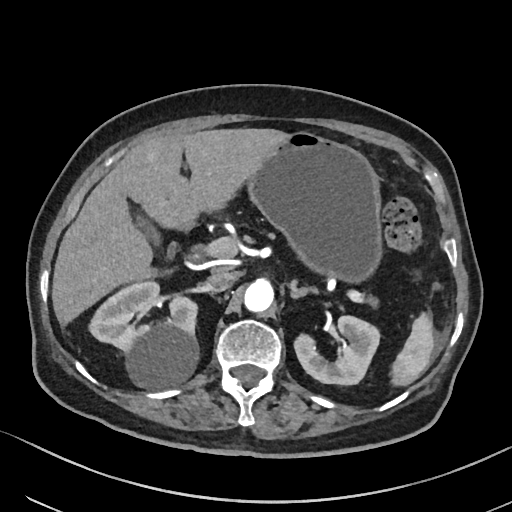
CT abdomen — axial plane, index 168 — abdomen soft-tissue window — 512x512 px
Each box given as x1,y1,x2,y2.
Organ bounding boxes:
- spleen: x1=391, y1=312, x2=434, y2=386
- right kidney: x1=89, y1=280, x2=198, y2=388
- left kidney: x1=294, y1=316, x2=379, y2=385
- gall bladder: x1=134, y1=214, x2=160, y2=245
- liver: x1=51, y1=128, x2=287, y2=325
- stomach: x1=246, y1=131, x2=381, y2=282
- aorta: x1=244, y1=279, x2=273, y2=311
- inferior vena cava: x1=205, y1=271, x2=236, y2=292
- pancreas: x1=368, y1=296, x2=380, y2=306
- left adrenal gland: x1=290, y1=281, x2=317, y2=297
- duodenum: x1=187, y1=249, x2=199, y2=260